Abdominal CT. axial view. scan has 15 labeled organs (a whole-scan count: organs this slice does not pass through have no box)
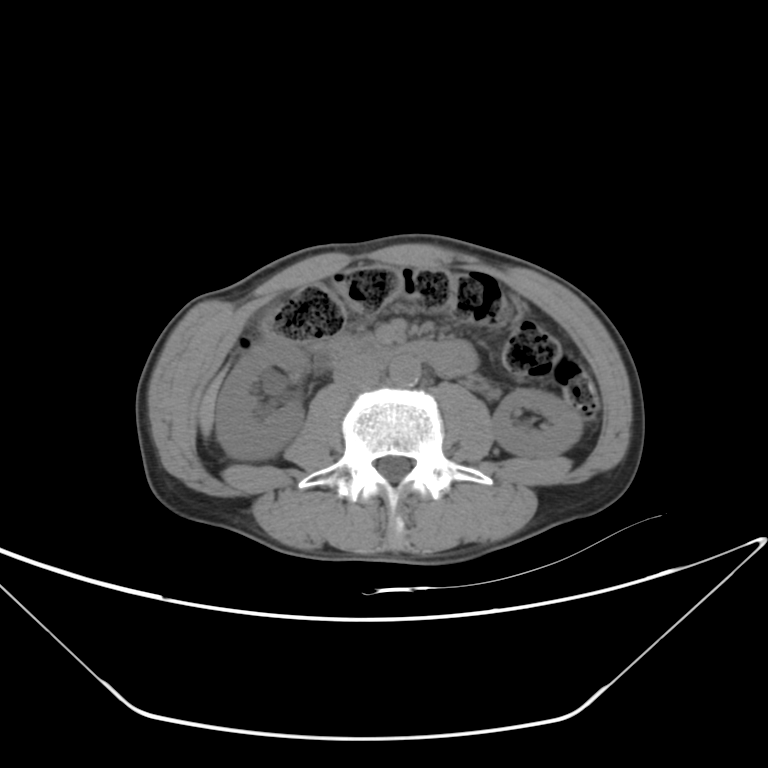 Boxes: x1 y1 x2 y2 (pixel coords, space-separated).
right kidney: 214 334 308 459
left kidney: 491 388 582 458
liver: 199 371 226 436
aorta: 389 356 421 385
inferior vena cava: 334 360 381 391
duodenum: 317 337 436 364